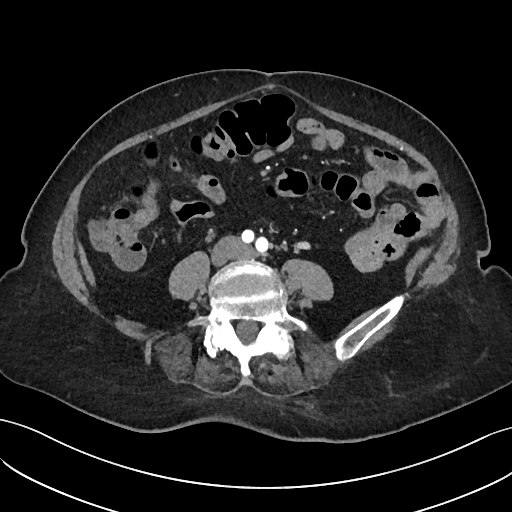

Abdominal CT — axial plane, index 83 — 512x512 px — scan has 15 labeled organs (a whole-scan count: organs this slice does not pass through have no box)
{"organs":{"inferior vena cava":[216,236,244,258]}}